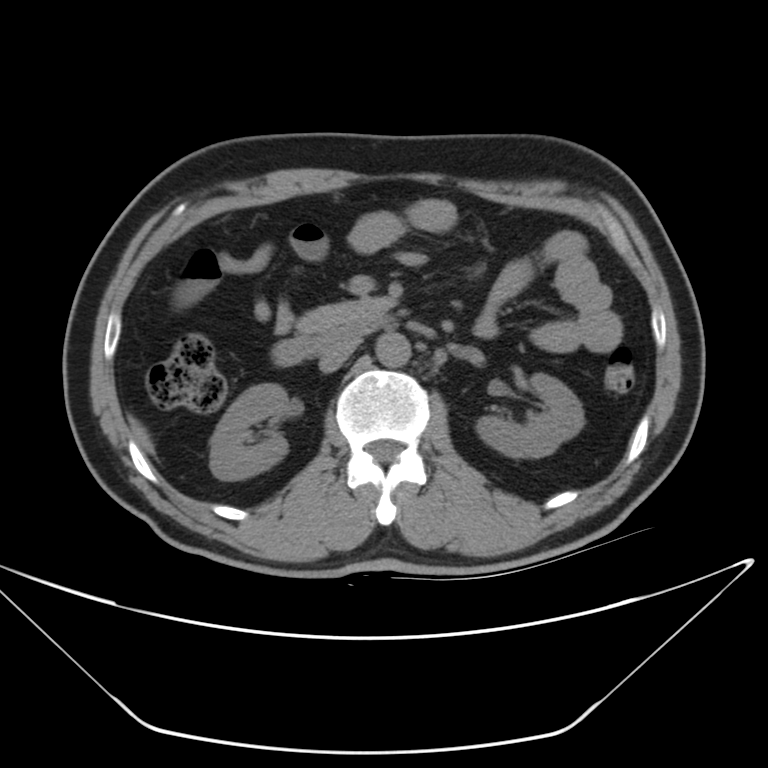

Computed tomography, abdomen. axial plane, index 72. 45-year-old male patient. acquired on Brilliance16
One row per box, in pixels: columns x1 and y1 give the top-left corner, x2 and y2 the bottom-right.
| organ | x1 | y1 | x2 | y2 |
|---|---|---|---|---|
| duodenum | 272 | 318 | 392 | 362 |
| pancreas | 299 | 297 | 392 | 333 |
| right kidney | 210 | 382 | 288 | 479 |
| left kidney | 474 | 373 | 582 | 457 |
| aorta | 375 | 331 | 411 | 367 |
| inferior vena cava | 318 | 340 | 356 | 373 |
| liver | 130 | 416 | 152 | 449 |